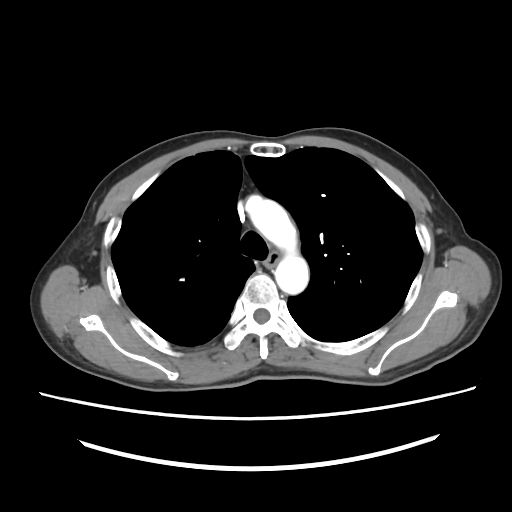
Chest-level slice from an abdominal CT that extends up into the chest · Axial slice 112/134 · 512x512 px · Aquilion ONE scanner · 15 organs annotated in this scan (that count is for the whole scan; organs this slice misses have no box)
On a slice this high in the chest, this dataset labels only the esophagus and the aorta, and each is boxed only where it is labeled; the heart, lungs and other chest structures are not labeled. Bounding boxes as [x1, y1, x2, y2] in pixel coordinates. The annotated organs in this slice are: esophagus at [266, 251, 281, 267], aorta at [246, 196, 308, 294].